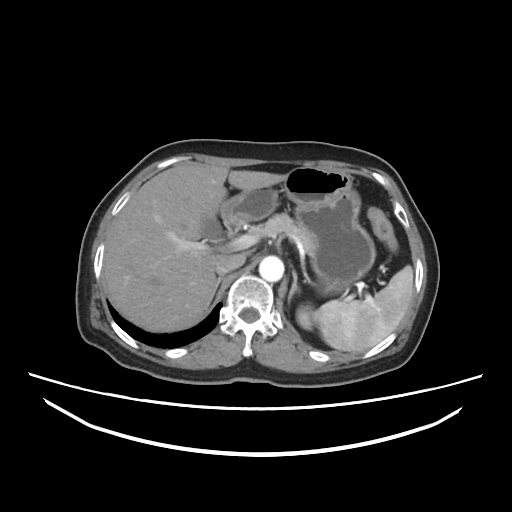

CT abdomen. axial view. 15 organs annotated in this scan (counted over the whole 3D scan, not this slice; an organ is boxed only where this slice passes through it)
Boxes: x1:y1:x2:y2 in pixels.
spleen: 314:266:413:352
left kidney: 297:306:313:330
gall bladder: 200:216:221:241
liver: 103:161:285:331
stomach: 222:166:376:295
aorta: 258:255:284:281
inferior vena cava: 215:254:245:274
pancreas: 248:212:312:249
right adrenal gland: 213:276:224:295
left adrenal gland: 288:273:299:305
duodenum: 226:221:240:237